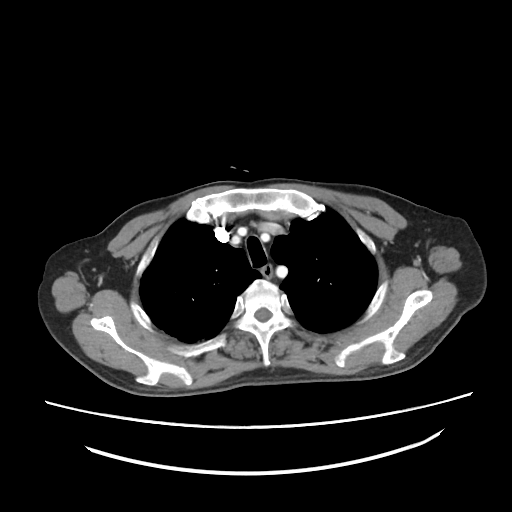
Abdominal CT reaching into the chest; this slice is in the chest. Axial slice 124/135. soft-tissue window, W/L 400/40. scan has 15 labeled organs (that count is for the whole scan; organs this slice misses have no box)
At this level of the chest this dataset labels only the esophagus and the aorta, and each is boxed only where it is labeled; the heart and lungs are never labeled. Boxes: x1:y1:x2:y2 in pixels. 1 labeled organ on this slice — esophagus at 260:263:273:278.